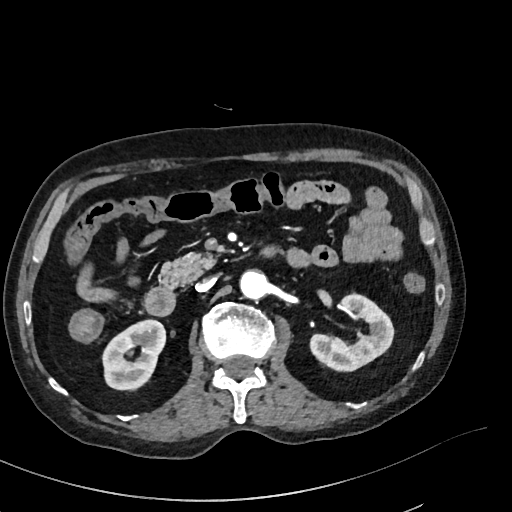 Computed tomography, abdomen. axial view. acquired on SOMATOM Force. scan has 15 labeled organs (that count is for the whole scan; organs this slice misses have no box)
{"organs":{"inferior vena cava":[196,277,215,291],"duodenum":[144,284,175,315],"right kidney":[102,320,165,389],"left kidney":[310,294,393,371],"aorta":[240,270,268,299],"pancreas":[160,252,216,286]}}